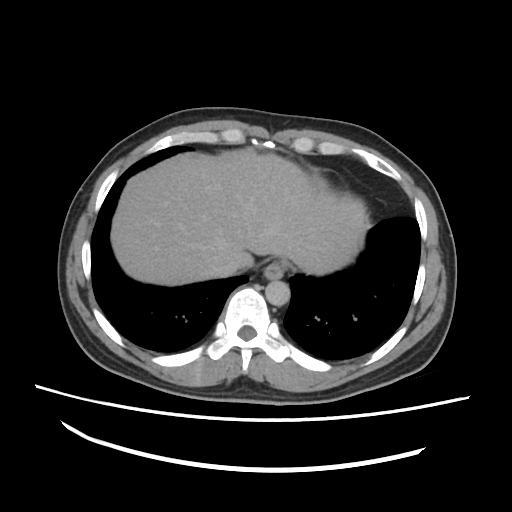 Abdominal CT; axial view; abdomen soft-tissue window
{"organs":{"liver":[111,152,363,285],"inferior vena cava":[207,256,238,277],"esophagus":[262,261,284,279],"aorta":[266,280,290,306]}}